Abdominal CT. axial view
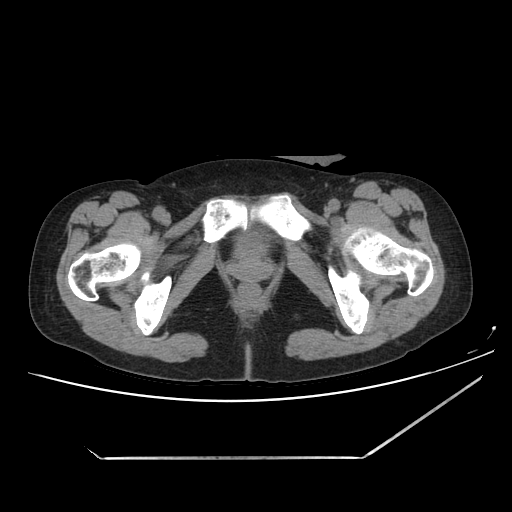 <organs><organ name="bladder" x1="238" y1="230" x2="265" y2="250"/></organs>